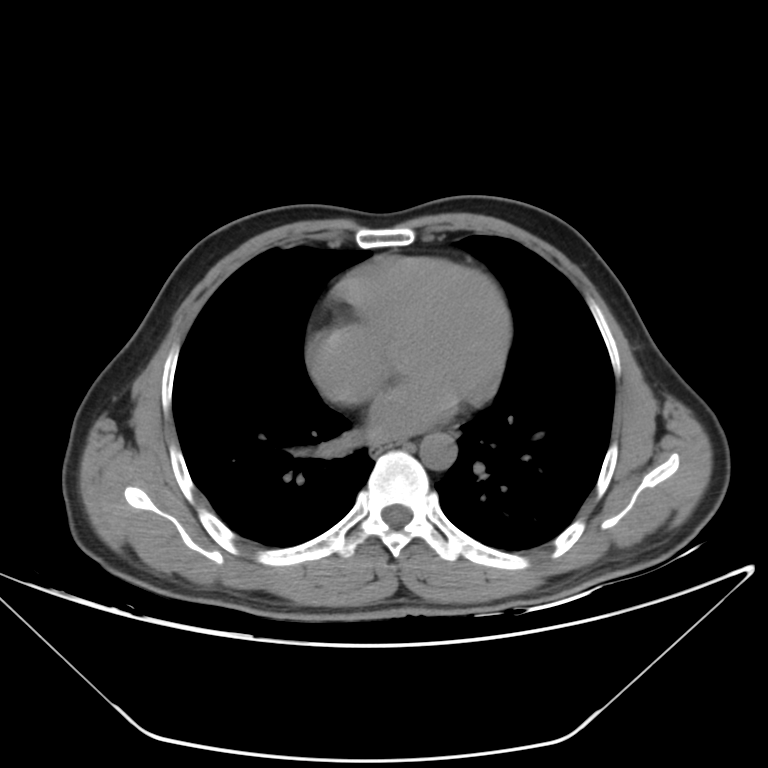

Abdominal CT; this slice is in the lower chest, just above the liver; axial view; soft-tissue window; 768x768 px
The heart and lungs are never labeled in this dataset, so they have no box on this slice.
One row per box, in pixels: columns x1 and y1 give the top-left corner, x2 and y2 the bottom-right.
| organ | x1 | y1 | x2 | y2 |
|---|---|---|---|---|
| aorta | 420 | 433 | 457 | 469 |